Computed tomography, abdomen; axial view; W/L 400/40 HU; 512x512 px; 58-year-old female patient; acquired on Aquilion ONE
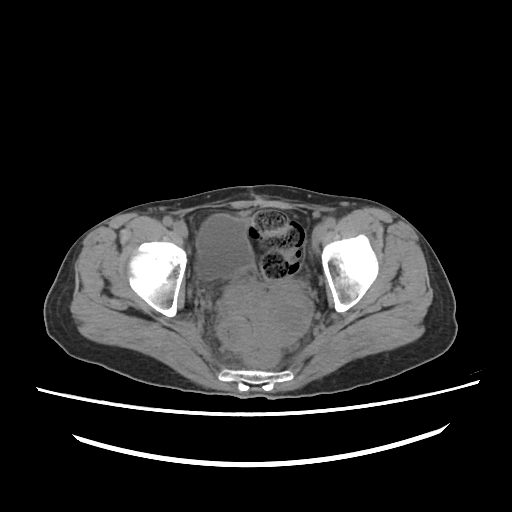
Box edges are left/top/right/bottom in pixels.
Organ bounding boxes:
- bladder: left=195, top=214, right=252, bottom=279
- prostate/uterus: left=256, top=284, right=308, bottom=339